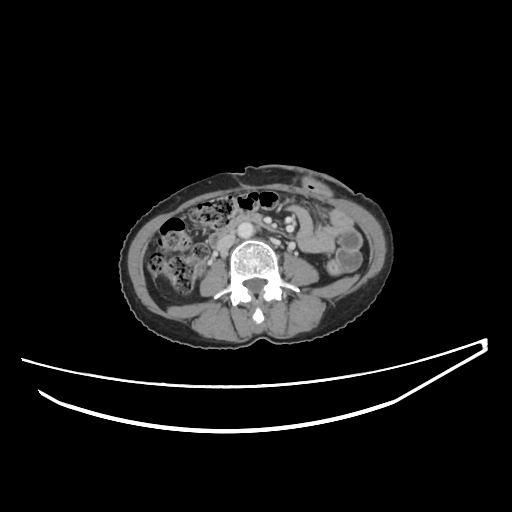 Abdominal CT. Axial slice 46/116. soft-tissue window. 62-year-old female patient. scan has 15 labeled organs (that count is for the whole scan; organs this slice misses have no box)
Each box given as x1,y1,x2,y2.
Organ bounding boxes:
- aorta: x1=237, y1=222, x2=254, y2=238
- inferior vena cava: x1=216, y1=233, x2=235, y2=250
- duodenum: x1=208, y1=215, x2=278, y2=248